Chest-level slice from an abdominal CT that extends up into the chest. axial view. 512x512 px. 15 organs annotated in this scan (a whole-scan count: organs this slice does not pass through have no box)
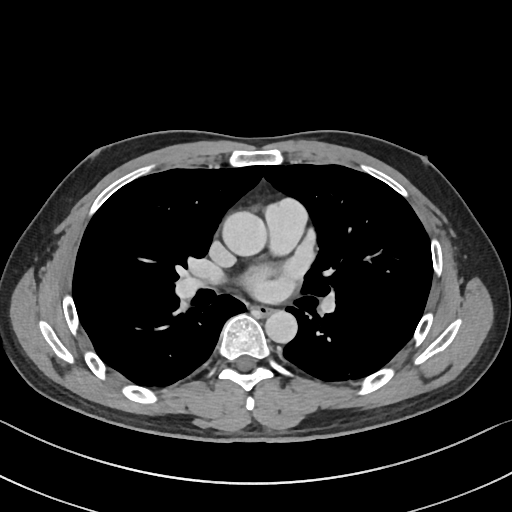 On a slice this high in the chest, this dataset labels only the esophagus and the aorta, and each is boxed only where it is labeled; the heart, lungs and other chest structures are not labeled.
<organs><organ name="esophagus" x1="253" y1="305" x2="272" y2="315"/><organ name="aorta" x1="221" y1="210" x2="265" y2="256"/><organ name="aorta" x1="265" y1="310" x2="297" y2="344"/></organs>